Computed tomography, abdomen · axial view · abdomen soft-tissue window · 512x512 px · scan has 15 labeled organs (counted over the whole 3D scan, not this slice; an organ is boxed only where this slice passes through it)
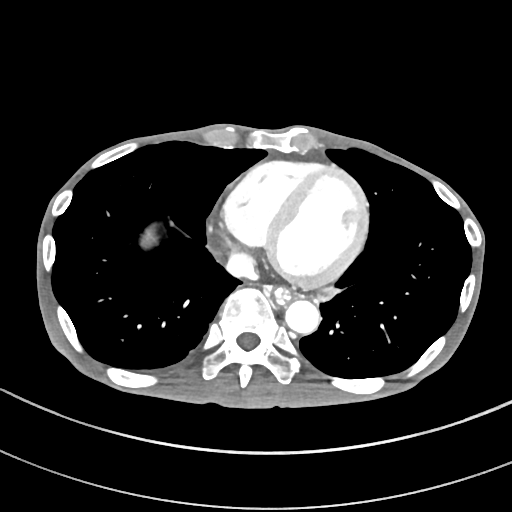 <organs><organ name="esophagus" x1="273" y1="288" x2="290" y2="304"/><organ name="liver" x1="141" y1="229" x2="337" y2="301"/><organ name="aorta" x1="285" y1="300" x2="319" y2="333"/><organ name="inferior vena cava" x1="225" y1="254" x2="256" y2="279"/></organs>